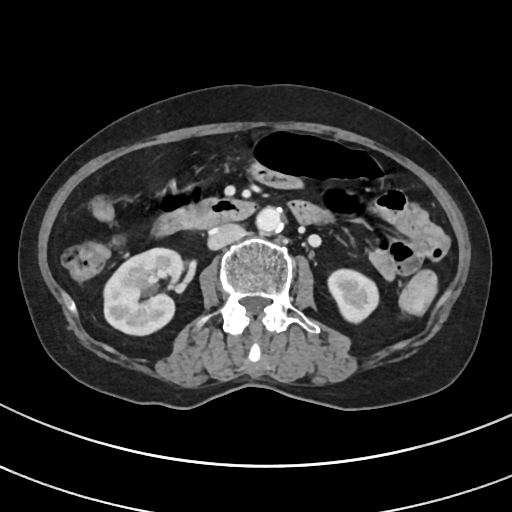

CT abdomen; axial view; SOMATOM Force scanner
Organ boxes in pixel coordinates; each row gives the top-left (x1, y1) and bottom-right (x2, y2) corners.
| organ | x1 | y1 | x2 | y2 |
|---|---|---|---|---|
| right kidney | 103 | 249 | 182 | 336 |
| left kidney | 327 | 268 | 379 | 323 |
| aorta | 255 | 207 | 282 | 233 |
| inferior vena cava | 207 | 223 | 243 | 250 |
| duodenum | 156 | 183 | 256 | 235 |